CT abdomen. Axial slice 153/198. 512x512 px
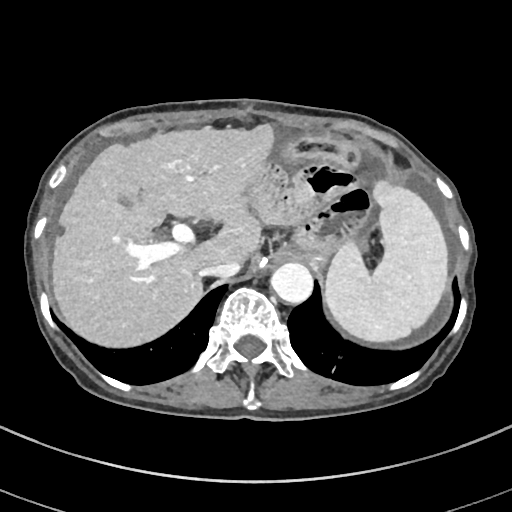
Boxes: x1 y1 x2 y2 (pixel coords, space-separated).
Organ bounding boxes:
- spleen: 324 180 449 343
- gall bladder: 121 196 133 206
- liver: 51 125 273 349
- aorta: 270 262 312 303
- inferior vena cava: 199 260 240 277